Computed tomography, abdomen · axial view · W/L 400/40 HU
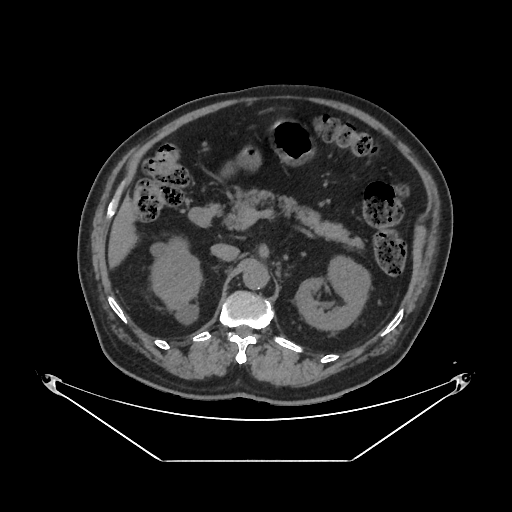
Coordinates as <box>x1,y1,x2,y2</box> in pixels.
Organ bounding boxes:
- right kidney: <box>151,239,201,321</box>
- left kidney: <box>295,256,369,330</box>
- liver: <box>107,195,134,269</box>
- stomach: <box>222,119,313,178</box>
- aorta: <box>243,262,269,289</box>
- inferior vena cava: <box>210,244,239,261</box>
- pancreas: <box>225,191,364,248</box>
- duodenum: <box>188,203,221,227</box>